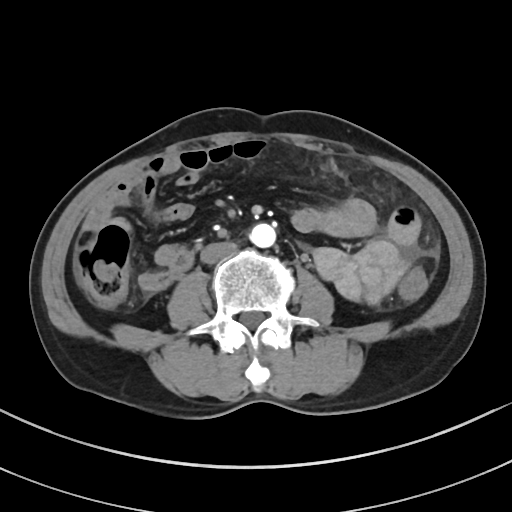
CT abdomen · axial view
Coordinates as <box>x1,y1,x2,y2</box> in pixels. The annotated organs in this slice are: aorta at <box>249,223,275,247</box>, inferior vena cava at <box>200,241,236,263</box>.